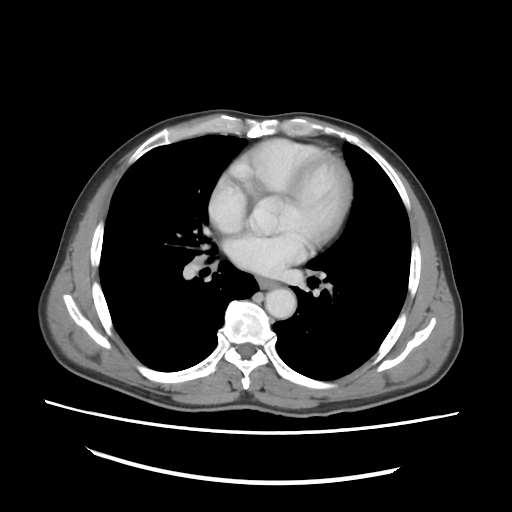 CT of the abdomen reaching into the lower chest, slice just above the liver and spleen — axial view — 512x512 px — 61-year-old male patient
No part of the heart or lungs is labeled in this dataset, so neither has a box here.
Each box given as x1,y1,x2,y2.
esophagus: x1=258, y1=278, x2=276, y2=288
aorta: x1=265, y1=288, x2=296, y2=318